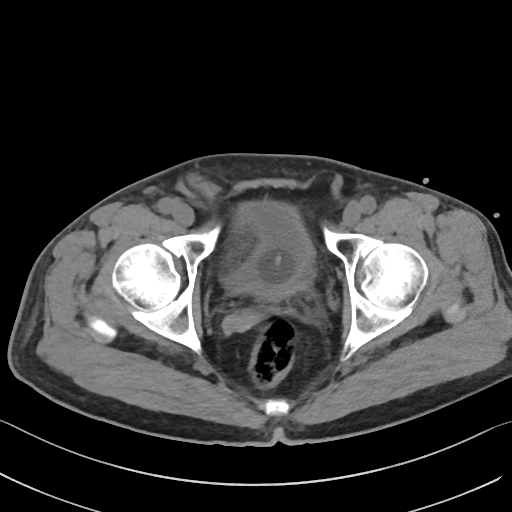
CT abdomen. axial plane, index 10. W/L 400/40 HU. 15 organs annotated in this scan (a whole-scan count: organs this slice does not pass through have no box)
<organs><organ name="bladder" x1="224" y1="201" x2="314" y2="297"/></organs>